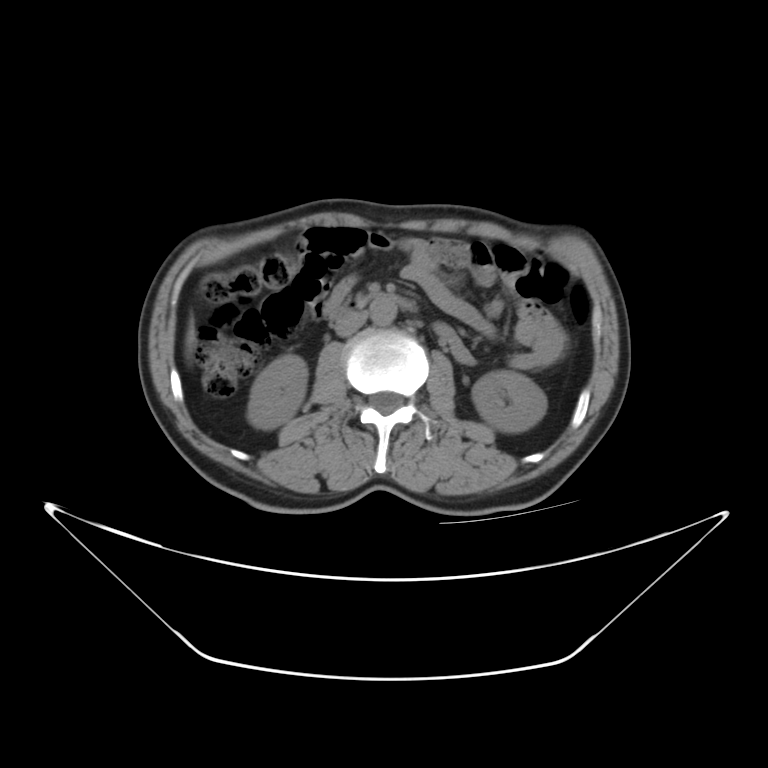 Computed tomography, abdomen. axial view. soft-tissue window. 768x768 px. 59-year-old male patient
<organs><organ name="right kidney" x1="245" y1="357" x2="308" y2="428"/><organ name="left kidney" x1="472" y1="371" x2="545" y2="431"/><organ name="liver" x1="184" y1="313" x2="195" y2="359"/><organ name="aorta" x1="368" y1="297" x2="395" y2="322"/><organ name="inferior vena cava" x1="336" y1="310" x2="371" y2="335"/><organ name="duodenum" x1="330" y1="293" x2="416" y2="318"/></organs>